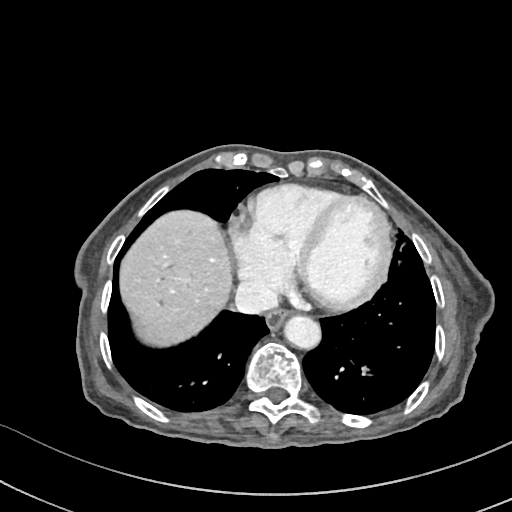 CT, abdomen/pelvis — axial view — scan has 15 labeled organs (a whole-scan count: organs this slice does not pass through have no box)
Each box given as x1,y1,x2,y2.
Organ bounding boxes:
- esophagus: x1=266, y1=310, x2=291, y2=330
- liver: x1=121, y1=210, x2=230, y2=345
- aorta: x1=285, y1=316, x2=322, y2=350
- inferior vena cava: x1=235, y1=280, x2=278, y2=313